Computed tomography, abdomen · axial plane, index 47 · 512x512 px · Aquilion ONE scanner
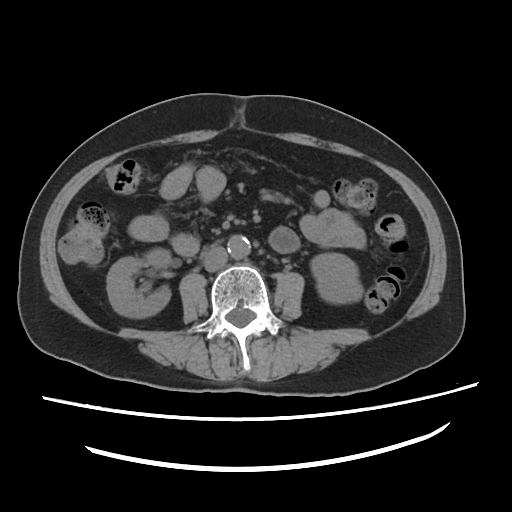

Each box given as x1,y1,x2,y2.
Organ bounding boxes:
- inferior vena cava: x1=203, y1=246, x2=228, y2=271
- left kidney: x1=311, y1=253, x2=362, y2=303
- aorta: x1=227, y1=235, x2=250, y2=259
- right kidney: x1=107, y1=248, x2=170, y2=317